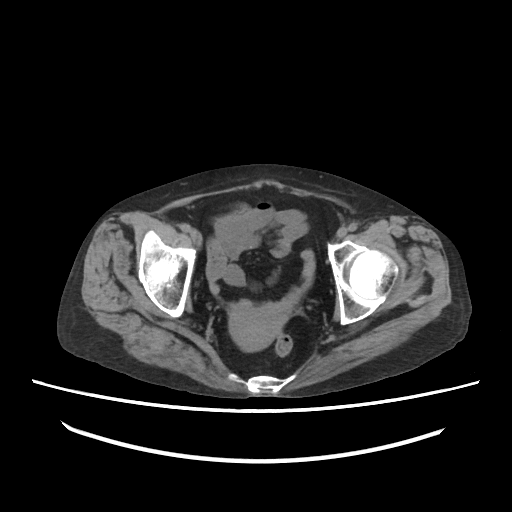

CT abdomen · axial plane, index 19 · W/L 400/40 HU
Coordinates as <box>x1,y1,x2,y2</box> in pixels.
prostate/uterus: <box>229,304,286,351</box>